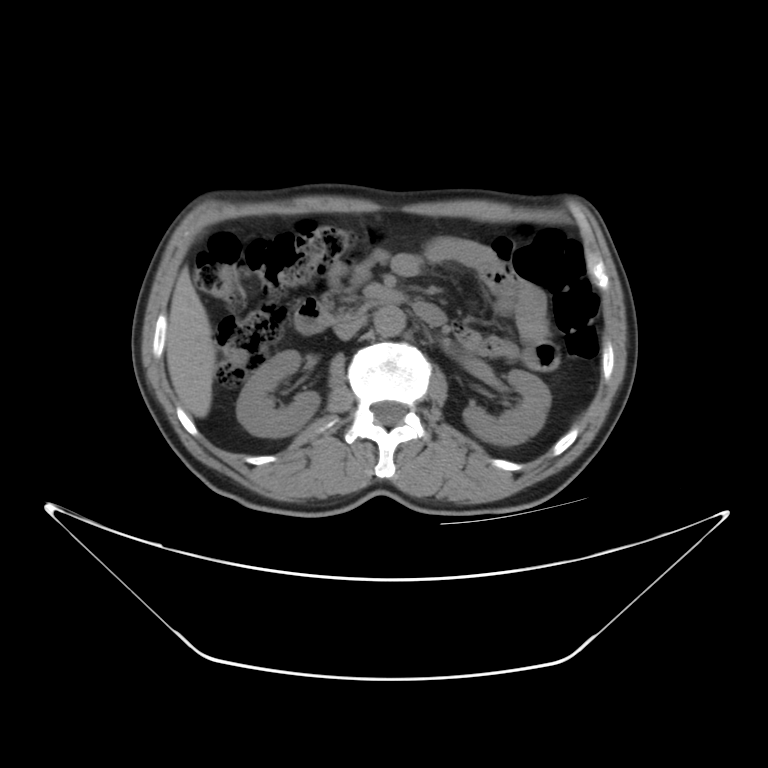

Abdominal CT; Axial slice 60/90; W/L 400/40 HU; 768x768 px; scan has 15 labeled organs (a whole-scan count: organs this slice does not pass through have no box)
Coordinates as <box>x1,y1,x2,y2</box> in pixels. Labeled organs on this slice: right kidney at <box>236,351,318,435</box>, left kidney at <box>462,369,549,443</box>, liver at <box>167,271,215,416</box>, aorta at <box>376,306,404,337</box>, inferior vena cava at <box>336,316,365,337</box>, pancreas at <box>320,292,370,320</box>, duodenum at <box>293,297,448,336</box>.